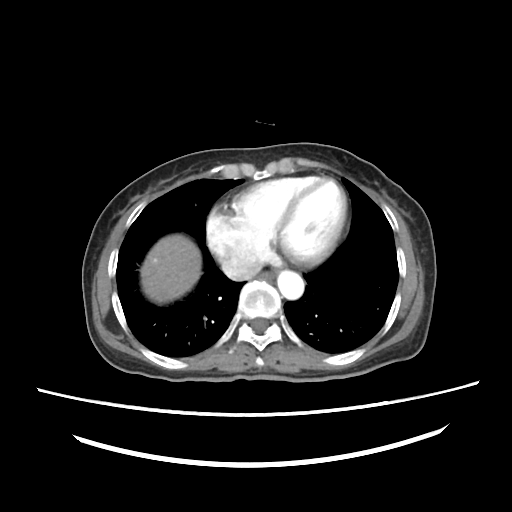
Abdominal CT — axial view — 512x512 px
{"organs":{"esophagus":[263,270,273,279],"liver":[140,234,200,304],"aorta":[276,270,304,298],"inferior vena cava":[220,257,262,279]}}